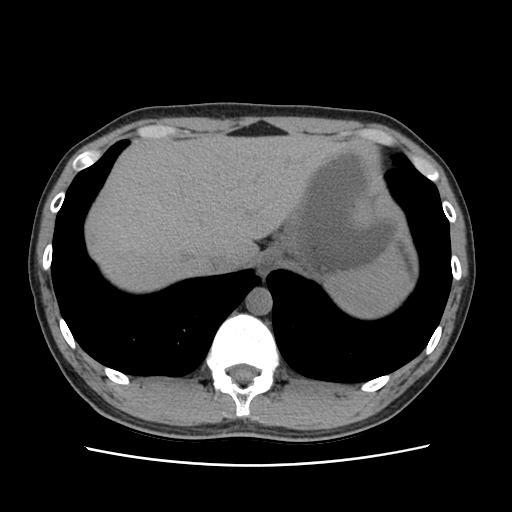 Abdominal CT. axial view. 512x512 px. SOMATOM Force scanner. 15 organs annotated in this scan (a whole-scan count: organs this slice does not pass through have no box)
Each box given as x1,y1,x2,y2. Labeled organs on this slice: spleen at x1=329, y1=247, x2=413, y2=318, esophagus at x1=257, y1=249, x2=278, y2=275, liver at x1=85, y1=133, x2=352, y2=292, stomach at x1=270, y1=149, x2=396, y2=278, aorta at x1=245, y1=288, x2=272, y2=314, inferior vena cava at x1=207, y1=256, x2=240, y2=272.